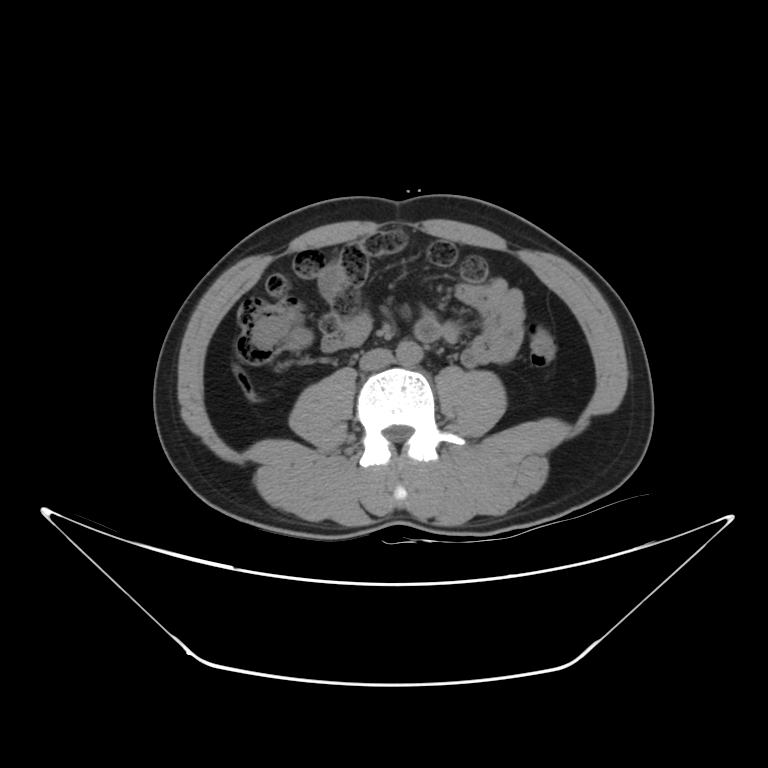
CT abdomen · Axial slice 52/96 · acquired on Brilliance16
Box edges are left/top/right/bottom in pixels.
aorta: left=396, top=340, right=423, bottom=365
inferior vena cava: left=359, top=348, right=393, bottom=371